CT abdomen · axial view · soft-tissue window · scan has 15 labeled organs (that count is for the whole scan; organs this slice misses have no box)
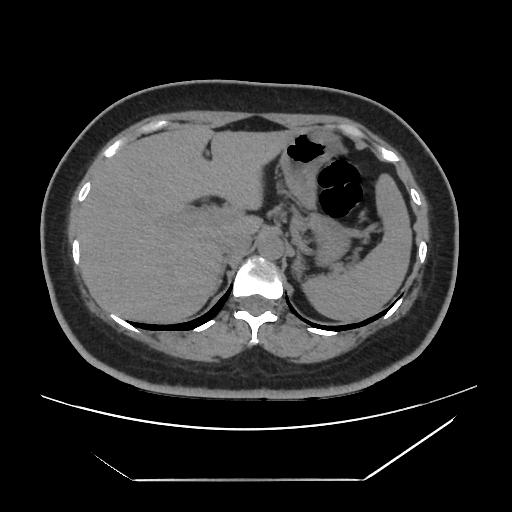
Box edges are left/top/right/bottom in pixels.
spleen: left=301, top=173, right=411, bottom=321
liver: left=77, top=125, right=296, bottom=322
stomach: left=280, top=127, right=352, bottom=267
aorta: left=257, top=234, right=283, bottom=260
inferior vena cava: left=218, top=231, right=251, bottom=254
pancreas: left=292, top=215, right=306, bottom=227
right adrenal gland: left=221, top=259, right=227, bottom=275
left adrenal gland: left=293, top=253, right=300, bottom=276